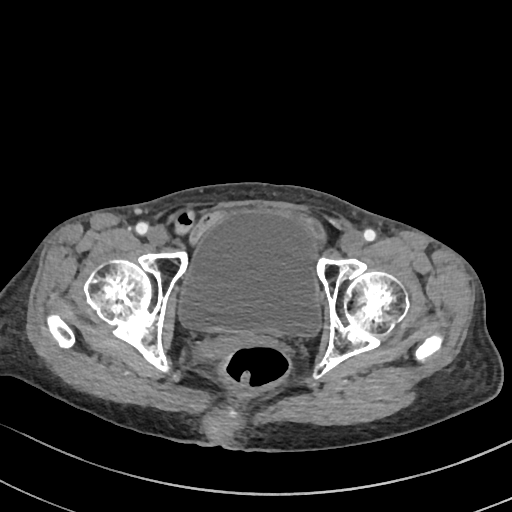
CT, abdomen/pelvis. Axial slice 56/236. soft-tissue window (W 400 / L 40)
{"organs":{"bladder":[177,210,321,336]}}